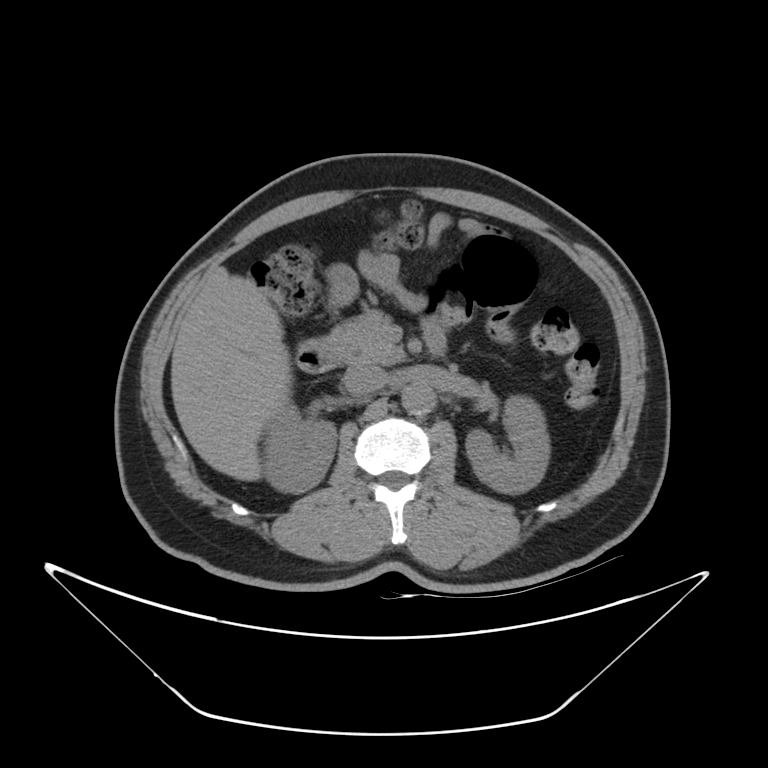

Computed tomography, abdomen; Axial slice 61/82
<organs><organ name="aorta" x1="401" y1="383" x2="433" y2="413"/><organ name="left kidney" x1="465" y1="395" x2="550" y2="494"/><organ name="liver" x1="171" y1="267" x2="292" y2="480"/><organ name="inferior vena cava" x1="342" y1="364" x2="388" y2="395"/><organ name="pancreas" x1="324" y1="310" x2="405" y2="364"/><organ name="duodenum" x1="295" y1="324" x2="444" y2="373"/><organ name="right kidney" x1="264" y1="403" x2="336" y2="493"/></organs>